CT, abdomen/pelvis; Axial slice 62/92; soft-tissue window; 512x512 px; 60-year-old female patient
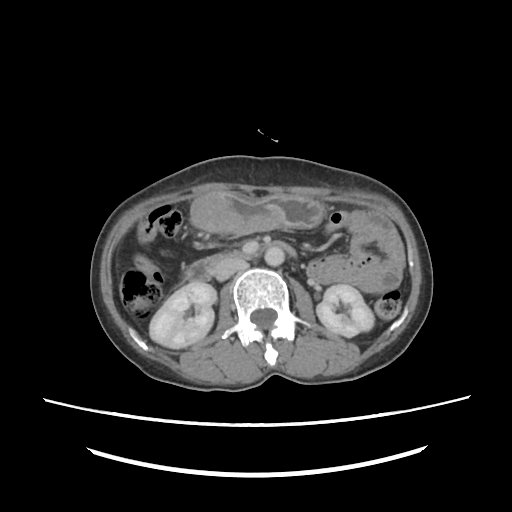 Boxes are (x1, y1, x2, y2) in pixels.
right kidney: (149, 282, 215, 348)
inferior vena cava: (215, 260, 246, 281)
stomach: (189, 189, 325, 235)
duodenum: (185, 242, 298, 282)
aorta: (264, 247, 284, 266)
left kidney: (316, 284, 374, 337)